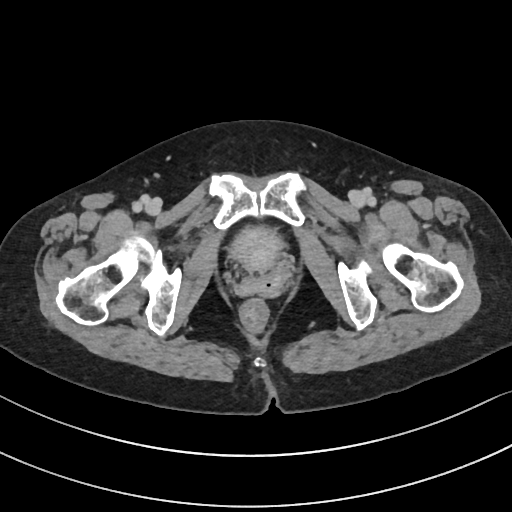

CT abdomen — Axial slice 20/212 — soft-tissue window
Box edges are left/top/right/bottom in pixels. 1 labeled organ on this slice — bladder at left=233, top=227, right=281, bottom=268.